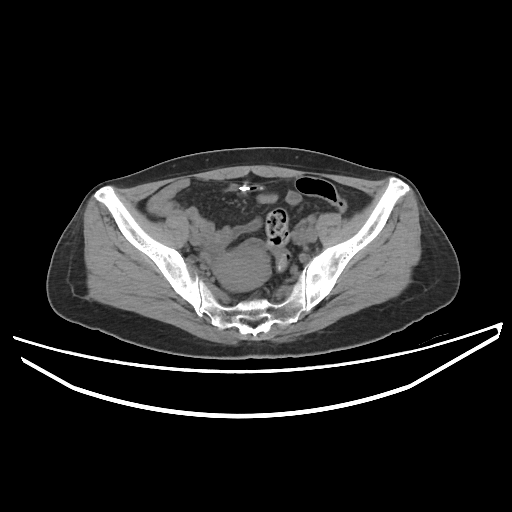 Abdominal CT. axial view. W/L 400/40 HU. 512x512 px
Organ boxes in pixel coordinates; each row gives the top-left (x1, y1) and bottom-right (x2, y2) corners.
| organ | x1 | y1 | x2 | y2 |
|---|---|---|---|---|
| prostate/uterus | 213 | 249 | 270 | 289 |